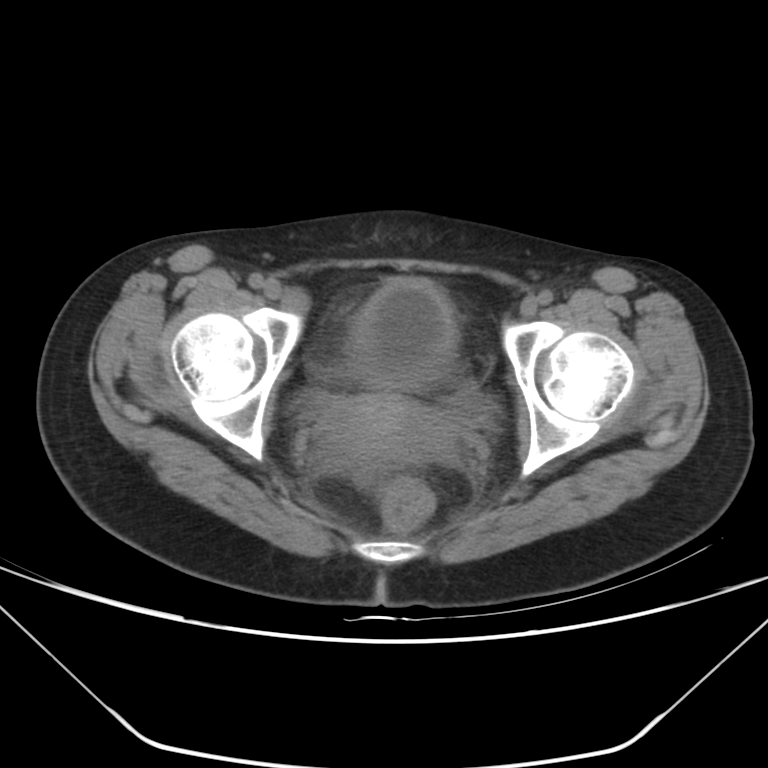 CT abdomen — axial view — Brilliance16 scanner — scan has 15 labeled organs (that count is for the whole scan; organs this slice misses have no box)
Each box given as x1,y1,x2,y2.
bladder: x1=347, y1=279, x2=457, y2=390
prostate/uterus: x1=316, y1=392, x2=452, y2=471